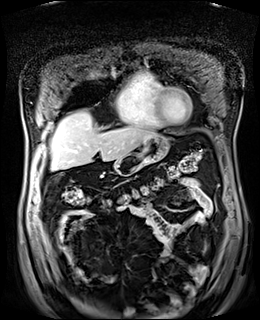

Abdominal MR; coronal view; Prisma scanner
One row per box, in pixels: columns x1 and y1 give the top-left corner, x2 and y2 the bottom-right.
| organ | x1 | y1 | x2 | y2 |
|---|---|---|---|---|
| liver | 50 | 111 | 157 | 170 |
| stomach | 114 | 135 | 169 | 175 |